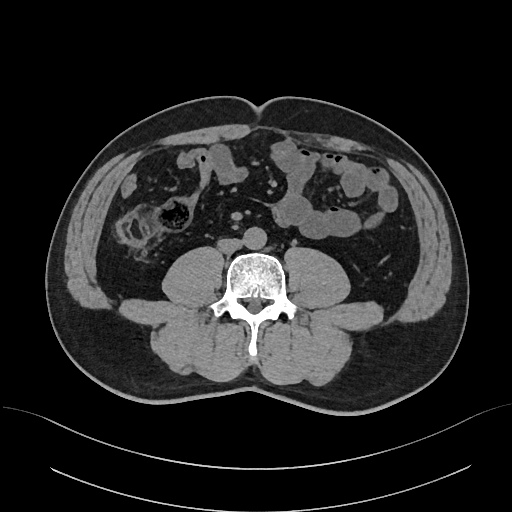
CT, abdomen/pelvis — axial view
Organ boxes in pixel coordinates; each row gives the top-left (x1, y1) and bottom-right (x2, y2) corners.
| organ | x1 | y1 | x2 | y2 |
|---|---|---|---|---|
| aorta | 243 | 227 | 266 | 249 |
| inferior vena cava | 217 | 238 | 242 | 253 |